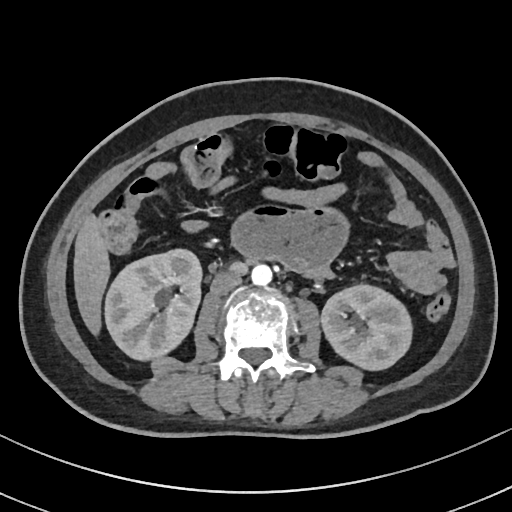

Computed tomography, abdomen · axial plane, index 107 · abdomen soft-tissue window
Coordinates as <box>x1,y1,x2,y2</box> in pixels.
Organ bounding boxes:
- right kidney: <box>104,248,202,358</box>
- left kidney: <box>322,286,410,371</box>
- liver: <box>74,214,109,331</box>
- aorta: <box>251,264,272,285</box>
- inferior vena cava: <box>211,272,242,294</box>